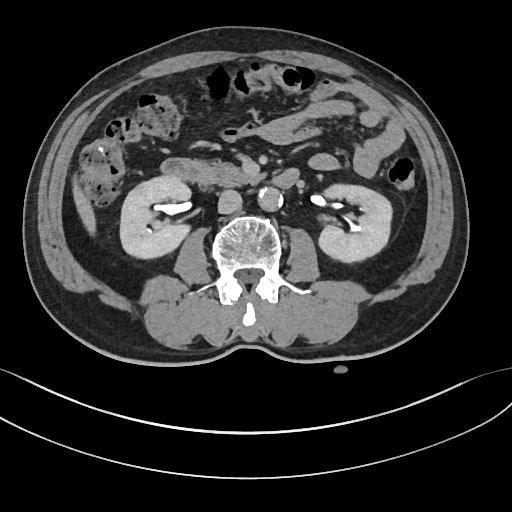 Abdominal CT · axial view · abdomen soft-tissue window · 512x512 px · SOMATOM Force scanner
Bounding boxes in pixels, one row per box: x1, y1 is the top-left corner and x2, y2 the bottom-right.
| organ | x1 | y1 | x2 | y2 |
|---|---|---|---|---|
| liver | 71 | 181 | 96 | 230 |
| duodenum | 162 | 158 | 298 | 188 |
| aorta | 257 | 186 | 281 | 210 |
| right kidney | 119 | 175 | 192 | 258 |
| left kidney | 319 | 182 | 393 | 262 |
| inferior vena cava | 217 | 189 | 241 | 213 |
| pancreas | 212 | 163 | 261 | 185 |